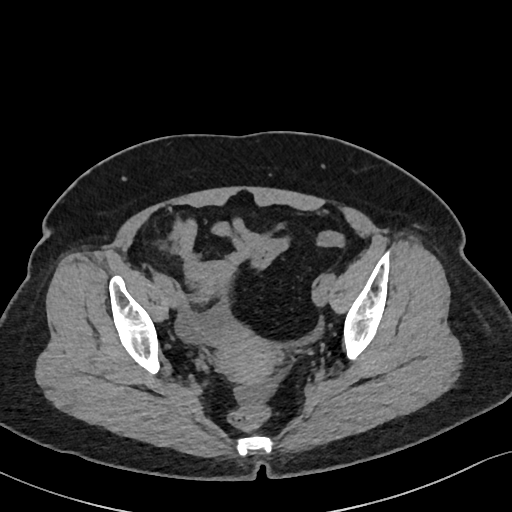
Computed tomography, abdomen. axial plane, index 35
Box edges are left/top/right/bottom in pixels.
prostate/uterus: left=209, top=324, right=275, bottom=381